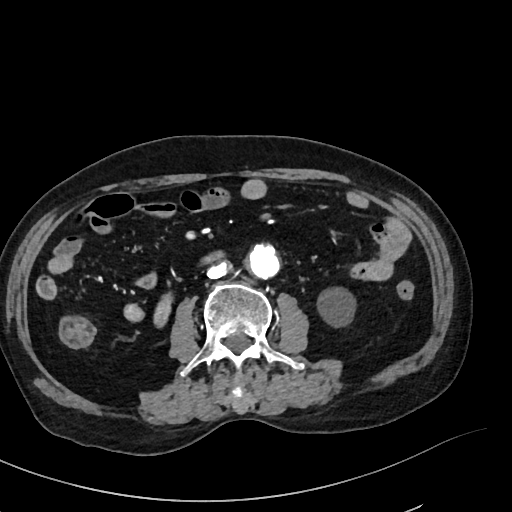
Computed tomography, abdomen; axial view; 15 organs annotated in this scan (that count is for the whole scan; organs this slice misses have no box)
Coordinates as <box>x1,y1,x2,y2</box> in pixels.
Organ bounding boxes:
- inferior vena cava: <box>207,260,231,278</box>
- aorta: <box>248,245,279,279</box>
- duodenum: <box>155,250,222,326</box>
- left kidney: <box>317,287,355,327</box>